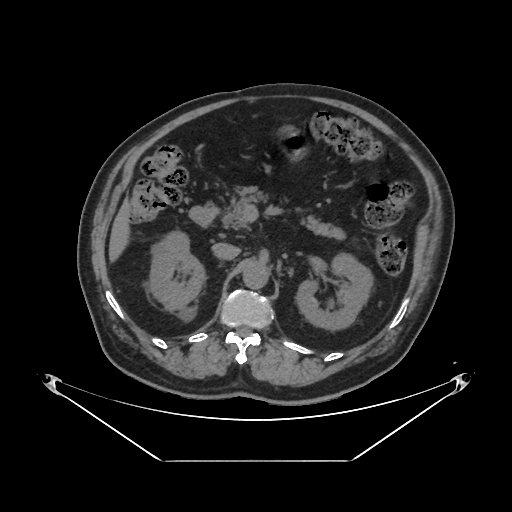
CT abdomen. axial plane, index 242. abdomen soft-tissue window. 512x512 px. 15 organs annotated in this scan (a whole-scan count: organs this slice does not pass through have no box)
Each box given as x1,y1,x2,y2.
right kidney: x1=148, y1=231, x2=205, y2=316
left kidney: x1=296, y1=253, x2=373, y2=330
liver: x1=109, y1=199, x2=130, y2=262
stomach: x1=277, y1=125, x2=305, y2=161
aorta: x1=243, y1=262, x2=268, y2=289
inferior vena cava: x1=212, y1=243, x2=240, y2=259
pancreas: x1=222, y1=193, x2=345, y2=239
duodenum: x1=189, y1=203, x2=219, y2=227